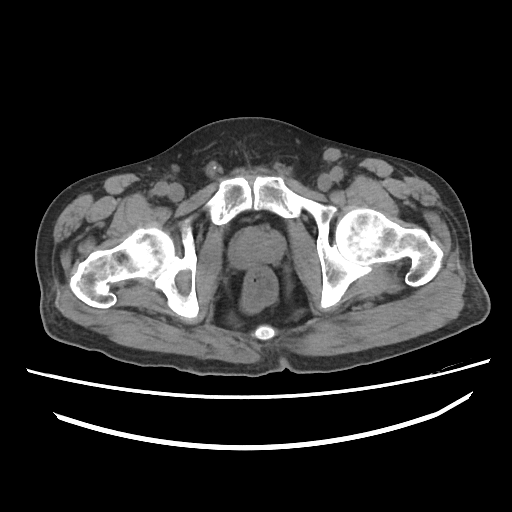

CT, abdomen/pelvis · axial view · 48-year-old male patient · acquired on Aquilion ONE
{"organs":{"prostate/uterus":[231,228,282,268]}}